Computed tomography, abdomen. axial plane, index 113. abdomen soft-tissue window. scan has 15 labeled organs (a whole-scan count: organs this slice does not pass through have no box)
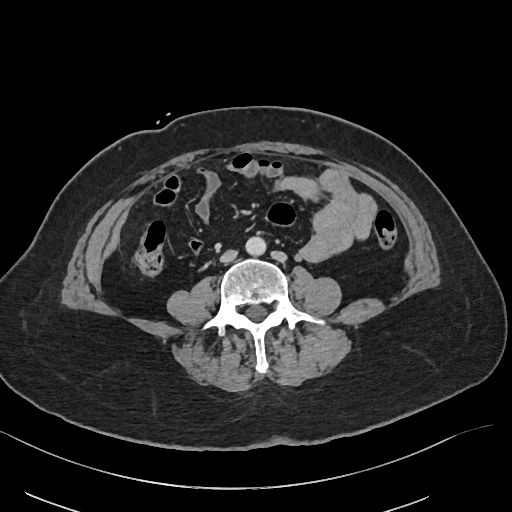

Boxes are (x1, y1, x2, y2) in pixels. The annotated organs in this slice are: aorta at (245, 236, 266, 255), inferior vena cava at (220, 250, 237, 262).